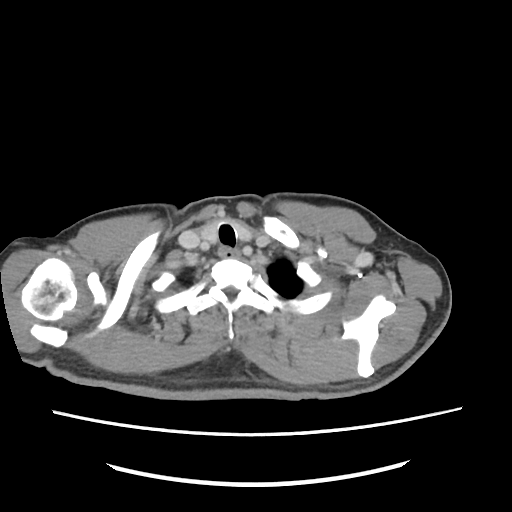
Abdominal CT reaching into the chest; this slice is in the chest. axial view. 54-year-old male patient. scan has 15 labeled organs (a whole-scan count: organs this slice does not pass through have no box)
At this level of the chest no structure but the esophagus and the aorta has a label in this dataset, and those two are boxed only where they are labeled.
One row per box, in pixels: columns x1 and y1 give the top-left corner, x2 and y2 the bottom-right.
| organ | x1 | y1 | x2 | y2 |
|---|---|---|---|---|
| esophagus | 219 | 245 | 239 | 257 |